CT abdomen. axial view
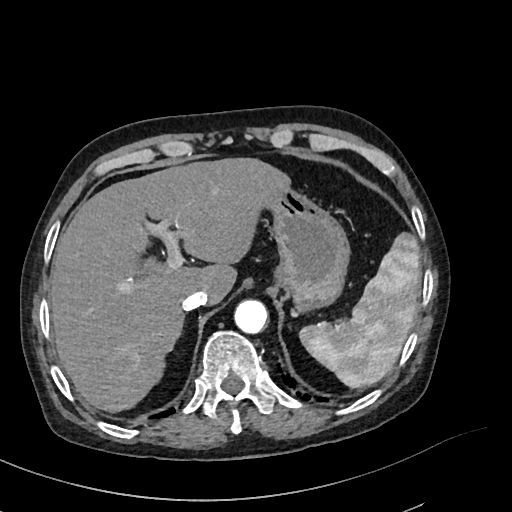

{"organs":{"spleen":[299,233,421,389],"liver":[49,157,290,412],"stomach":[265,188,350,312],"aorta":[234,300,267,333],"inferior vena cava":[181,290,208,310]}}